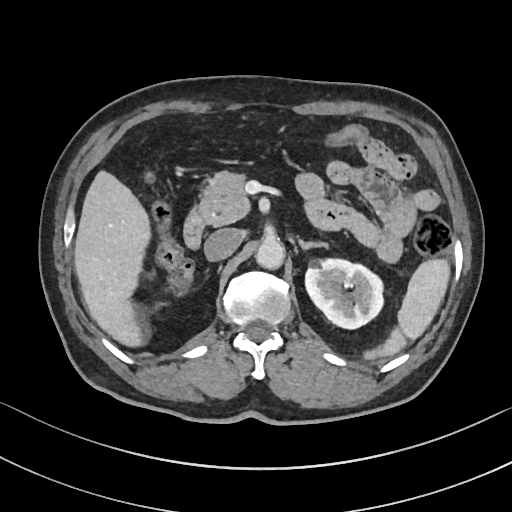
Computed tomography, abdomen; axial plane, index 164; W/L 400/40 HU; 512x512 px; SOMATOM Force scanner
Bounding boxes in pixels, one row per box: x1, y1 is the top-left corner and x2, y2 the bottom-right.
| organ | x1 | y1 | x2 | y2 |
|---|---|---|---|---|
| spleen | 364 | 258 | 449 | 359 |
| left kidney | 305 | 259 | 383 | 329 |
| liver | 74 | 171 | 150 | 347 |
| aorta | 255 | 237 | 284 | 269 |
| inferior vena cava | 204 | 228 | 240 | 260 |
| pancreas | 199 | 171 | 249 | 225 |
| left adrenal gland | 299 | 240 | 327 | 249 |
| duodenum | 183 | 206 | 205 | 248 |